Computed tomography, abdomen. axial view. soft-tissue window (W 400 / L 40). SOMATOM Force scanner
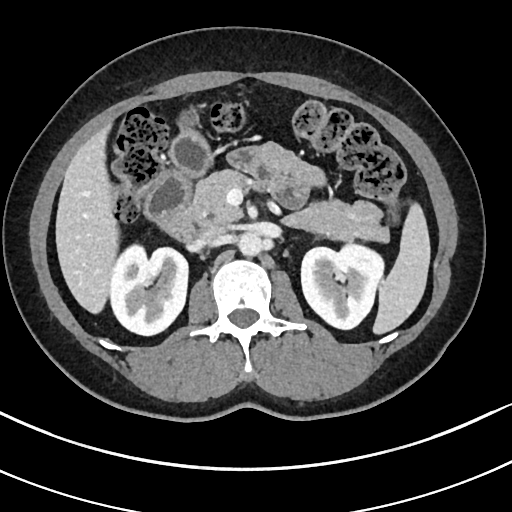
Organ boxes in pixel coordinates; each row gives the top-left (x1, y1) and bottom-right (x2, y2) corners.
| organ | x1 | y1 | x2 | y2 |
|---|---|---|---|---|
| left kidney | 301 | 243 | 384 | 329 |
| inferior vena cava | 196 | 224 | 225 | 242 |
| pancreas | 193 | 169 | 389 | 242 |
| right kidney | 109 | 244 | 188 | 335 |
| duodenum | 144 | 169 | 206 | 242 |
| spleen | 373 | 203 | 430 | 334 |
| stomach | 170 | 133 | 210 | 175 |
| liver | 55 | 125 | 118 | 313 |
| aorta | 238 | 232 | 263 | 256 |